Abdominal MRI; coronal acquisition; 1st–99th percentile window; 260x320 px; acquired on Prisma
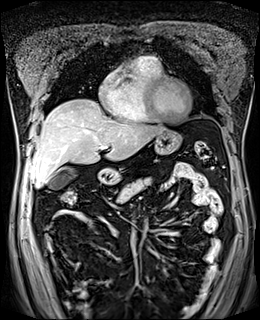
Boxes: x1 y1 x2 y2 (pixel coords, space-separated).
Organ bounding boxes:
- gall bladder: 48 167 76 189
- liver: 30 99 165 187
- stomach: 96 129 181 185
- pancreas: 117 178 150 202